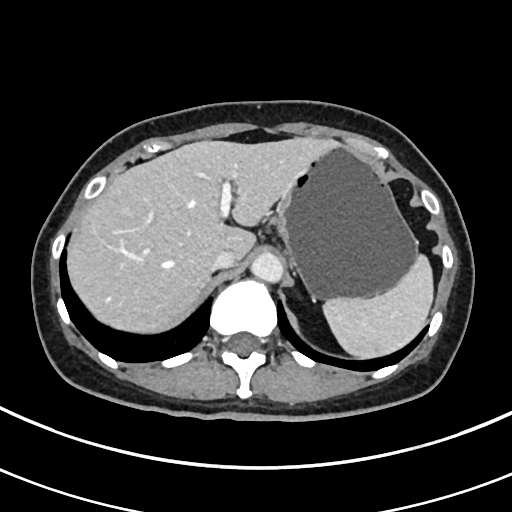
Abdominal CT — axial view — 512x512 px
<organs><organ name="spleen" x1="323" y1="252" x2="434" y2="359"/><organ name="liver" x1="66" y1="137" x2="333" y2="332"/><organ name="stomach" x1="274" y1="143" x2="418" y2="298"/><organ name="aorta" x1="251" y1="251" x2="283" y2="282"/><organ name="inferior vena cava" x1="209" y1="249" x2="236" y2="270"/></organs>